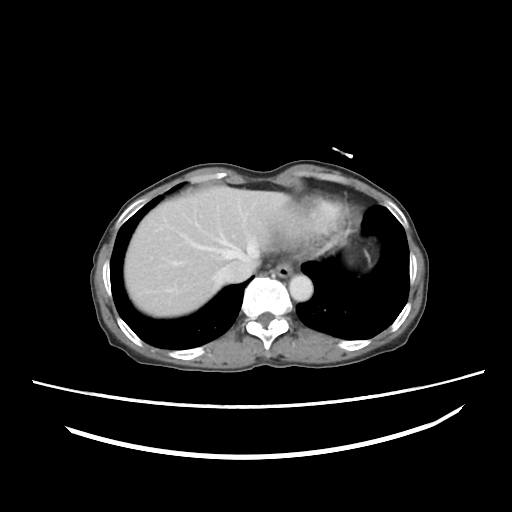

Abdominal CT · axial view · 512x512 px · 68-year-old female patient
One row per box, in pixels: columns x1 and y1 give the top-left corner, x2 and y2 the bottom-right.
| organ | x1 | y1 | x2 | y2 |
|---|---|---|---|---|
| esophagus | 274 | 259 | 294 | 277 |
| liver | 124 | 186 | 305 | 318 |
| aorta | 289 | 273 | 313 | 300 |
| inferior vena cava | 220 | 252 | 257 | 283 |